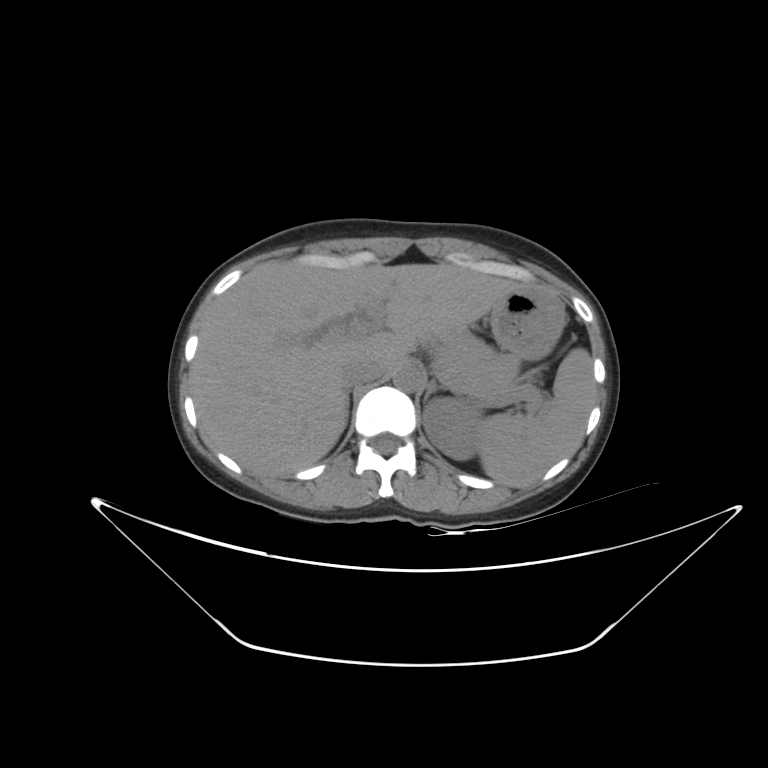
Computed tomography, abdomen. axial view. 38-year-old female patient. Brilliance16 scanner
Bounding boxes as [x1, y1, x2, y2] in pixel coordinates.
inferior vena cava: [341, 359, 382, 387]
liver: [190, 261, 518, 474]
right adrenal gland: [346, 396, 349, 418]
pancreas: [435, 327, 519, 389]
stomach: [490, 287, 566, 360]
left adrenal gland: [424, 380, 446, 401]
left kidney: [422, 397, 481, 459]
aorta: [392, 363, 424, 392]
spleen: [477, 348, 596, 486]